CT of the abdomen extending into the chest, slice through the chest; axial view
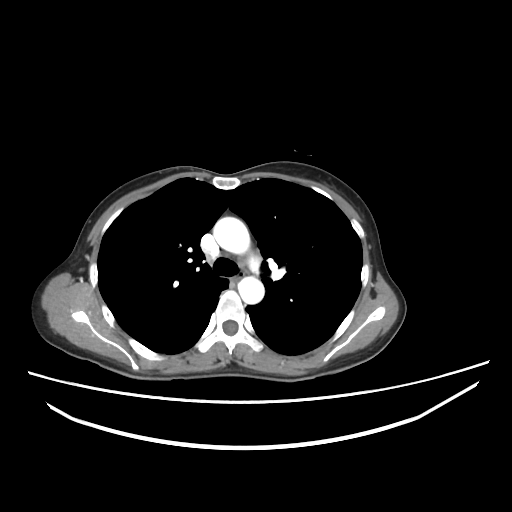

On a slice this high in the chest, this dataset labels only the esophagus and the aorta, and each is boxed only where it is labeled; the heart, lungs and other chest structures are not labeled.
Boxes are (x1, y1, x2, y2) in pixels.
Organ bounding boxes:
- esophagus: (230, 277, 240, 282)
- aorta: (213, 217, 250, 254)
- aorta: (238, 276, 264, 303)